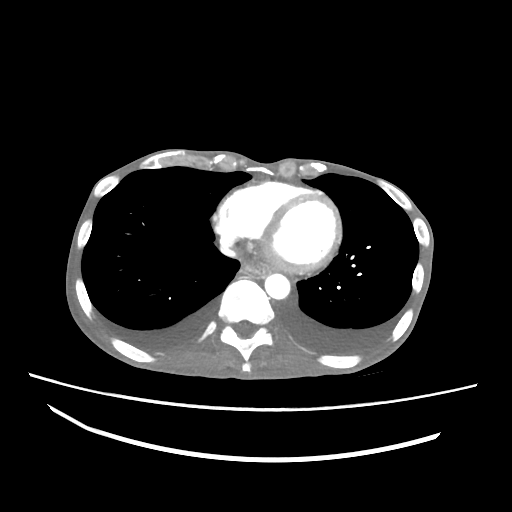

Lower-chest slice from an abdominal CT, just above the liver and spleen. Axial slice 82/123. soft-tissue window (W 400 / L 40). scan has 15 labeled organs (a whole-scan count: organs this slice does not pass through have no box)
No part of the heart or lungs is labeled in this dataset, so neither has a box here.
Boxes: x1 y1 x2 y2 (pixel coords, space-separated).
Organ bounding boxes:
- aorta: 264 273 290 299
- esophagus: 241 259 271 276
- inferior vena cava: 220 243 236 257